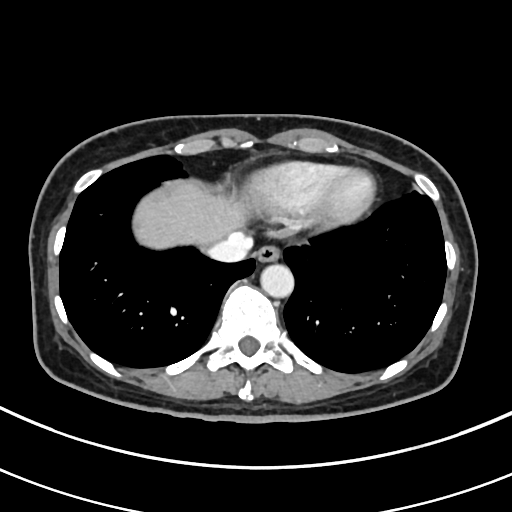

Abdominal CT · axial plane, index 182 · 15 organs annotated in this scan (that count is for the whole scan; organs this slice misses have no box)
Bounding boxes in pixels, one row per box: x1, y1 is the top-left corner and x2, y2 the bottom-right.
| organ | x1 | y1 | x2 | y2 |
|---|---|---|---|---|
| esophagus | 253 | 246 | 279 | 263 |
| liver | 134 | 180 | 252 | 247 |
| aorta | 261 | 264 | 294 | 298 |
| inferior vena cava | 207 | 232 | 251 | 262 |